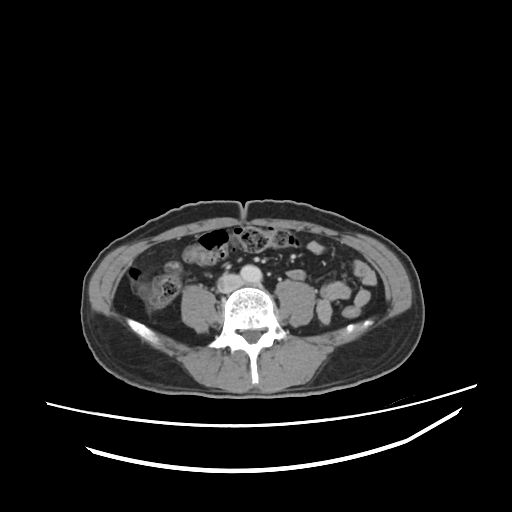
CT, abdomen/pelvis — axial plane, index 48 — soft-tissue window (W 400 / L 40) — 512x512 px
Boxes: x1 y1 x2 y2 (pixel coords, space-separated).
Organ bounding boxes:
- aorta: 240 265 262 282
- inferior vena cava: 217 273 242 293